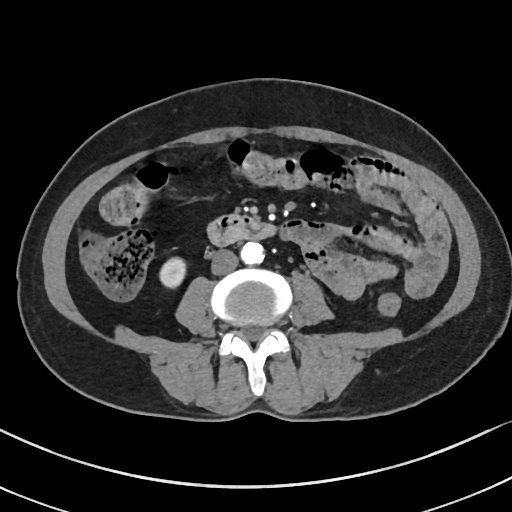

Computed tomography, abdomen. axial view. 15 organs annotated in this scan (counted over the whole 3D scan, not this slice; an organ is boxed only where this slice passes through it)
Coordinates as <box>x1,y1,x2,y2</box> in pixels. 4 labeled organs on this slice — right kidney at <box>160,257,185,288</box>; aorta at <box>240,242,264,265</box>; inferior vena cava at <box>211,250,238,275</box>; duodenum at <box>207,213,276,246</box>.